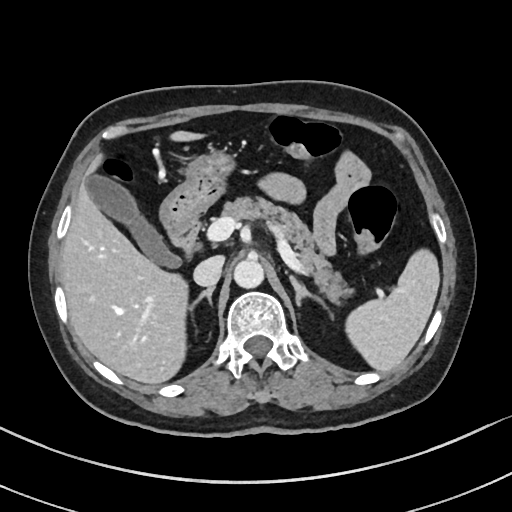
CT abdomen · axial view · scan has 14 labeled organs (that count is for the whole scan; organs this slice misses have no box)
Bounding boxes as [x1, y1, x2, y2] in pixel coordinates.
Organ bounding boxes:
- inferior vena cava: [194, 256, 223, 287]
- right adrenal gland: [187, 287, 214, 311]
- duodenum: [169, 222, 199, 251]
- spleen: [346, 250, 439, 372]
- left adrenal gland: [289, 277, 329, 309]
- aorta: [234, 257, 263, 288]
- gall bladder: [86, 174, 179, 265]
- pancreas: [224, 197, 351, 304]
- stomach: [160, 152, 233, 235]
- liver: [60, 131, 206, 384]